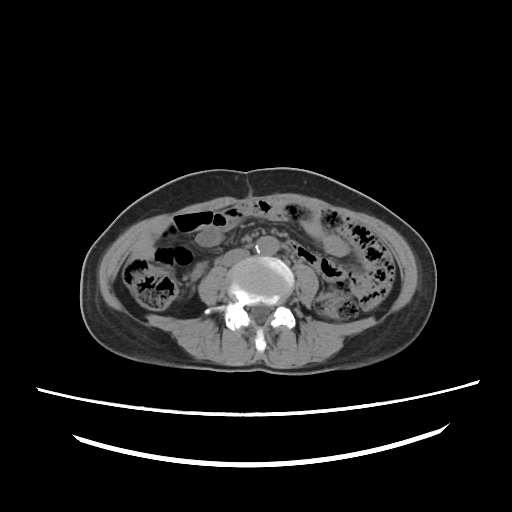

CT, abdomen/pelvis — axial view — 58-year-old female patient — acquired on Aquilion ONE — scan has 15 labeled organs (that count is for the whole scan; organs this slice misses have no box)
Boxes are (x1, y1, x2, y2) in pixels.
inferior vena cava: (222, 249, 249, 266)
aorta: (255, 236, 278, 255)